CT abdomen · axial plane, index 150 · SOMATOM Force scanner · 15 organs annotated in this scan (that count is for the whole scan; organs this slice misses have no box)
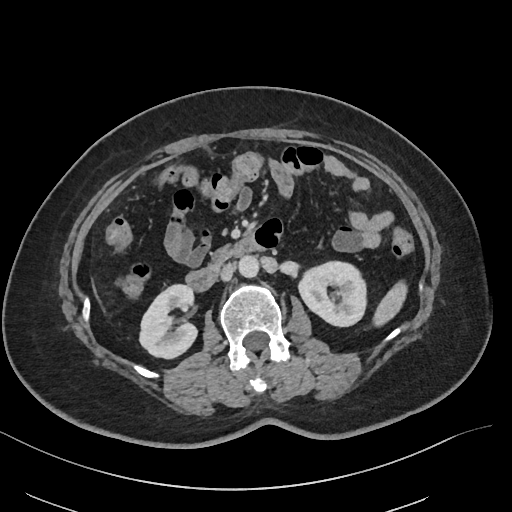
Organ boxes in pixel coordinates; each row gives the top-left (x1, y1) and bottom-right (x2, y2) corners.
| organ | x1 | y1 | x2 | y2 |
|---|---|---|---|---|
| spleen | 373 | 281 | 407 | 326 |
| right kidney | 139 | 284 | 196 | 358 |
| left kidney | 298 | 261 | 366 | 326 |
| liver | 93 | 284 | 100 | 301 |
| aorta | 238 | 255 | 259 | 277 |
| inferior vena cava | 220 | 263 | 234 | 281 |
| pancreas | 213 | 247 | 232 | 264 |
| duodenum | 185 | 242 | 260 | 291 |